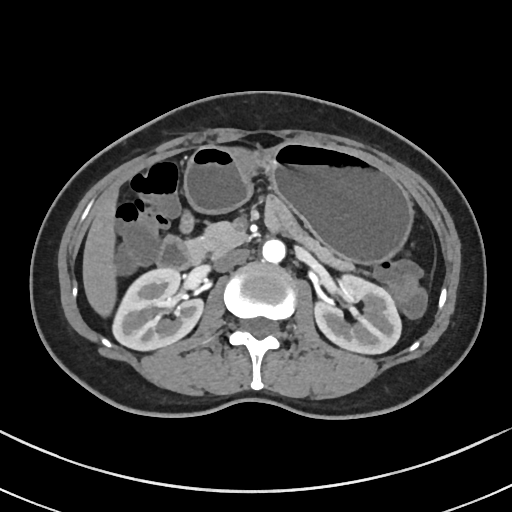

CT, abdomen/pelvis; axial view
Bounding boxes as [x1, y1, x2, y2] in pixel coordinates.
Organ bounding boxes:
- stomach: [184, 142, 412, 263]
- liver: [82, 189, 117, 316]
- aorta: [262, 239, 285, 263]
- right kidney: [112, 268, 203, 350]
- left kidney: [314, 275, 401, 353]
- pancreas: [188, 221, 350, 269]
- inferior vena cava: [214, 249, 248, 271]
- duodenum: [158, 235, 203, 269]